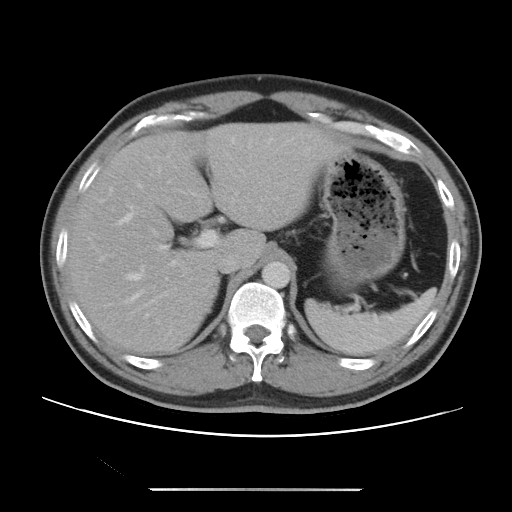 CT, abdomen/pelvis · axial view · SOMATOM Force scanner
<organs><organ name="spleen" x1="304" y1="288" x2="436" y2="355"/><organ name="liver" x1="66" y1="122" x2="349" y2="354"/><organ name="stomach" x1="321" y1="150" x2="405" y2="285"/><organ name="aorta" x1="261" y1="261" x2="290" y2="288"/><organ name="inferior vena cava" x1="215" y1="250" x2="241" y2="273"/><organ name="right adrenal gland" x1="207" y1="277" x2="220" y2="312"/></organs>